Abdominal CT — axial view — abdomen soft-tissue window
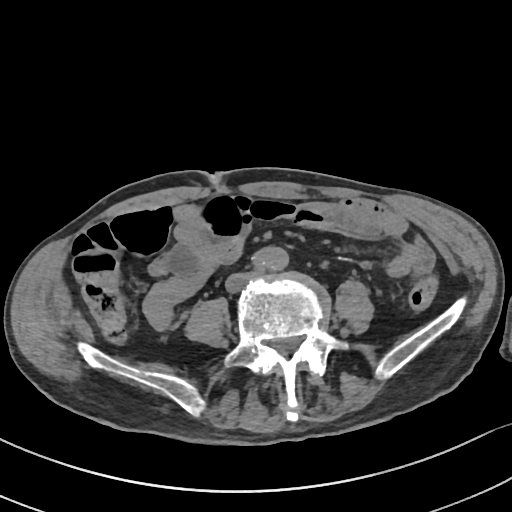

One row per box, in pixels: columns x1 and y1 give the top-left corner, x2 and y2 the bottom-right.
| organ | x1 | y1 | x2 | y2 |
|---|---|---|---|---|
| aorta | 250 | 247 | 289 | 270 |